Abdominal CT. axial view. W/L 400/40 HU
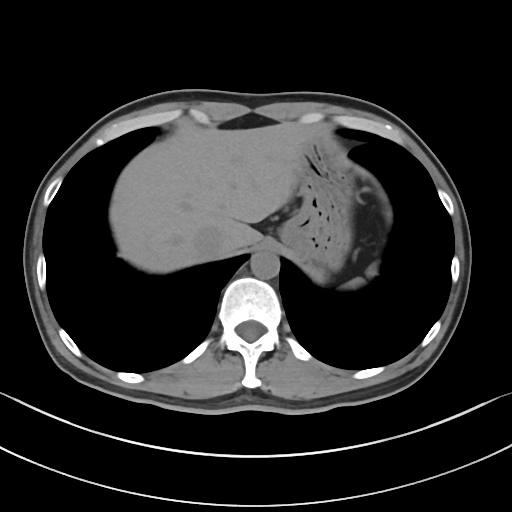

{"organs":{"spleen":[347,264,376,287],"liver":[110,122,313,272],"stomach":[279,140,351,269],"aorta":[250,251,279,279],"inferior vena cava":[192,226,226,259]}}